Computed tomography, abdomen; axial plane, index 71; soft-tissue window (W 400 / L 40); 50-year-old male patient
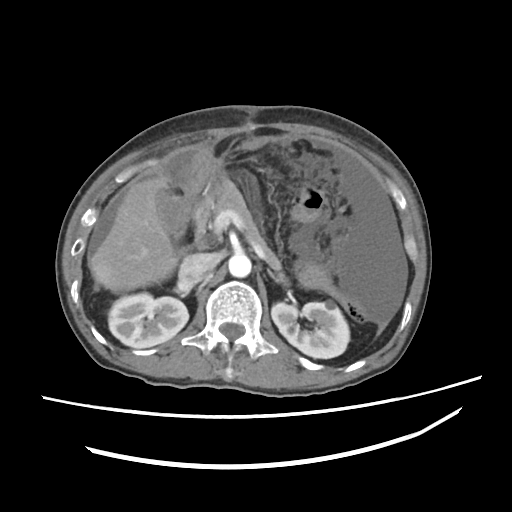
{"organs":{"liver":[90,182,173,293],"aorta":[228,254,252,277],"left kidney":[272,299,349,358],"stomach":[202,174,231,206],"right kidney":[107,292,188,348],"left adrenal gland":[270,273,274,279],"pancreas":[214,187,290,292],"inferior vena cava":[180,253,221,287],"duodenum":[191,202,220,251]}}